CT abdomen; axial view; soft-tissue window; 15 organs annotated in this scan (a whole-scan count: organs this slice does not pass through have no box)
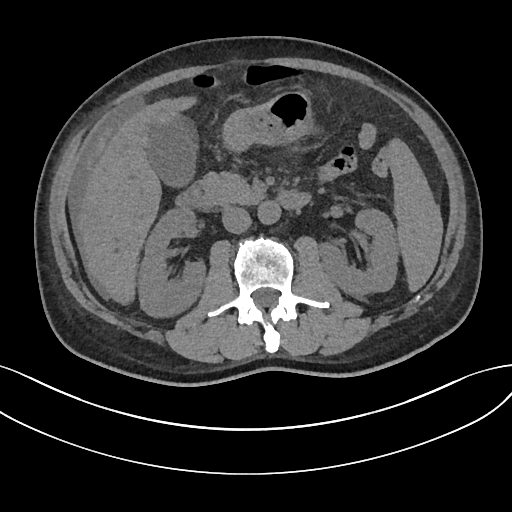 Boxes: x1:y1:x2:y2 in pixels. The annotated organs in this slice are: spleen at 389:142:442:290, right kidney at 138:206:204:315, left kidney at 320:208:399:296, gall bladder at 146:114:197:185, liver at 78:99:191:301, stomach at 224:92:310:149, aorta at 258:200:281:223, inferior vena cava at 222:206:251:233, pancreas at 203:172:262:204, duodenum at 176:182:308:209.